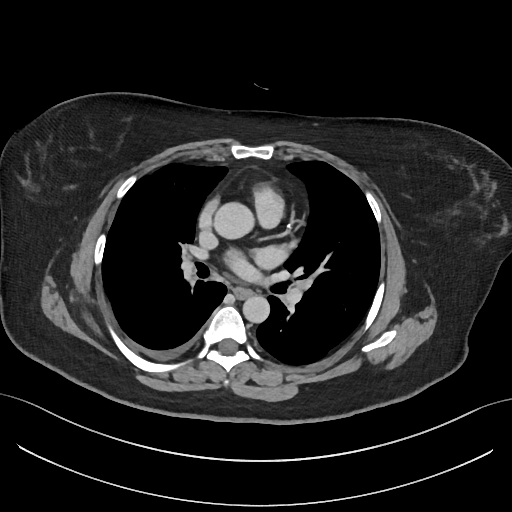

CT of the abdomen extending into the chest, slice through the chest. axial plane, index 238. soft-tissue window (W 400 / L 40). SOMATOM Force scanner
At this level of the chest this dataset labels only the esophagus and the aorta, and each is boxed only where it is labeled; the heart and lungs are never labeled.
Bounding boxes in pixels, one row per box: x1, y1 is the top-left corner and x2, y2 the bottom-right.
| organ | x1 | y1 | x2 | y2 |
|---|---|---|---|---|
| esophagus | 233 | 287 | 251 | 298 |
| aorta | 214 | 202 | 254 | 238 |
| aorta | 242 | 295 | 269 | 323 |